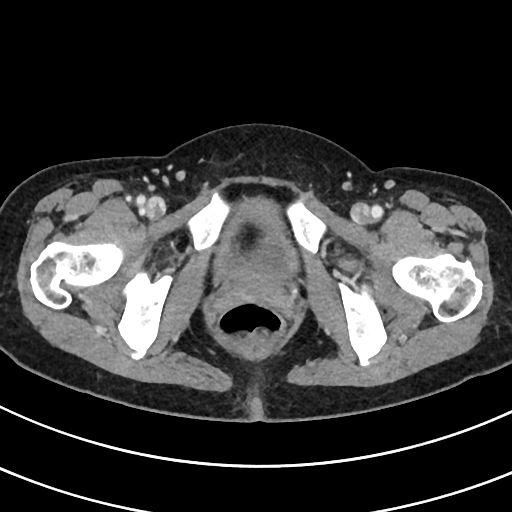

Abdominal CT. Axial slice 10/192. soft-tissue window (W 400 / L 40). 512x512 px. scan has 15 labeled organs (counted over the whole 3D scan, not this slice; an organ is boxed only where this slice passes through it)
{"organs":{"bladder":[217,199,298,283]}}